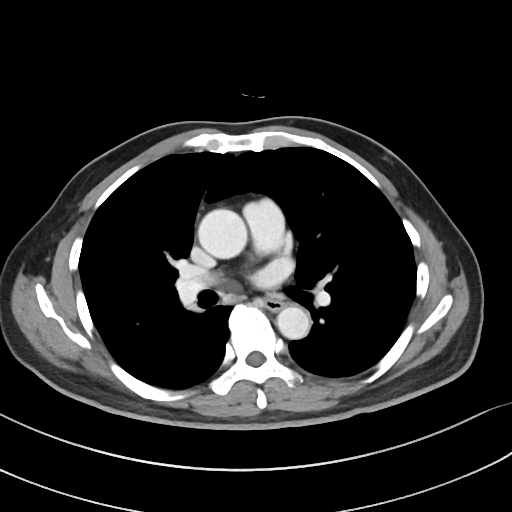

CT of the abdomen extending into the chest, slice through the chest. axial view. soft-tissue window
On a slice this high in the chest, this dataset labels only the esophagus and the aorta, and each is boxed only where it is labeled; the heart, lungs and other chest structures are not labeled.
Bounding boxes as [x1, y1, x2, y2] in pixel coordinates.
Organ bounding boxes:
- esophagus: [264, 298, 284, 311]
- aorta: [198, 208, 247, 259]
- aorta: [276, 306, 310, 339]